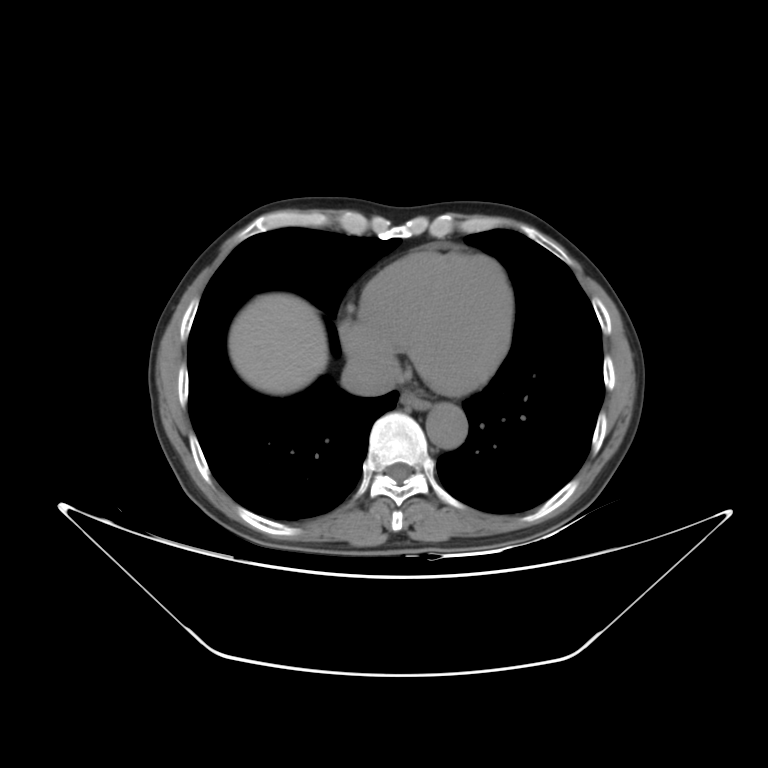
CT, abdomen/pelvis; axial plane, index 92; abdomen soft-tissue window; 52-year-old male patient
Bounding boxes in pixels, one row per box: x1, y1 is the top-left corner and x2, y2 the bottom-right.
| organ | x1 | y1 | x2 | y2 |
|---|---|---|---|---|
| esophagus | 400 | 391 | 430 | 409 |
| liver | 228 | 293 | 328 | 394 |
| aorta | 426 | 403 | 467 | 448 |
| inferior vena cava | 341 | 358 | 396 | 396 |